Computed tomography, abdomen. axial view. 512x512 px
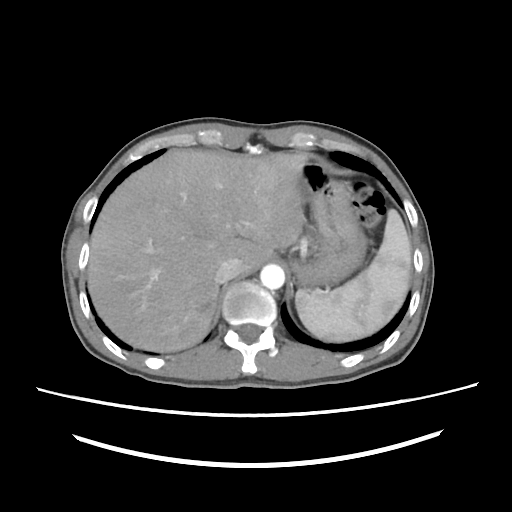

Boxes: x1 y1 x2 y2 (pixel coords, space-separated).
spleen: 295 209 411 341
liver: 88 150 305 350
stomach: 293 158 367 291
aorta: 260 263 284 289
inferior vena cava: 216 257 242 283